CT, abdomen/pelvis; axial plane, index 26; abdomen soft-tissue window; 512x512 px
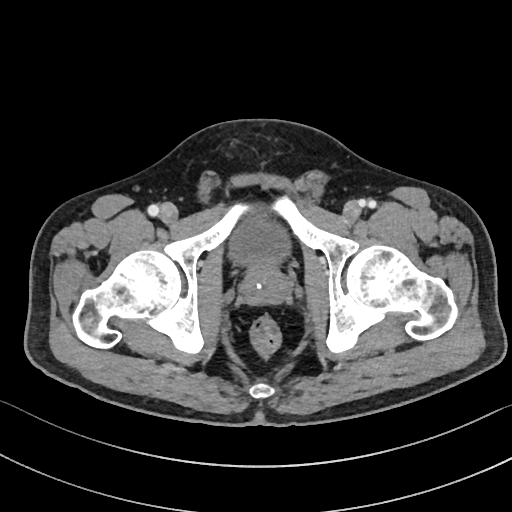 Boxes are (x1, y1, x2, y2) in pixels.
bladder: (231, 210, 289, 266)
prostate/uterus: (240, 265, 290, 304)